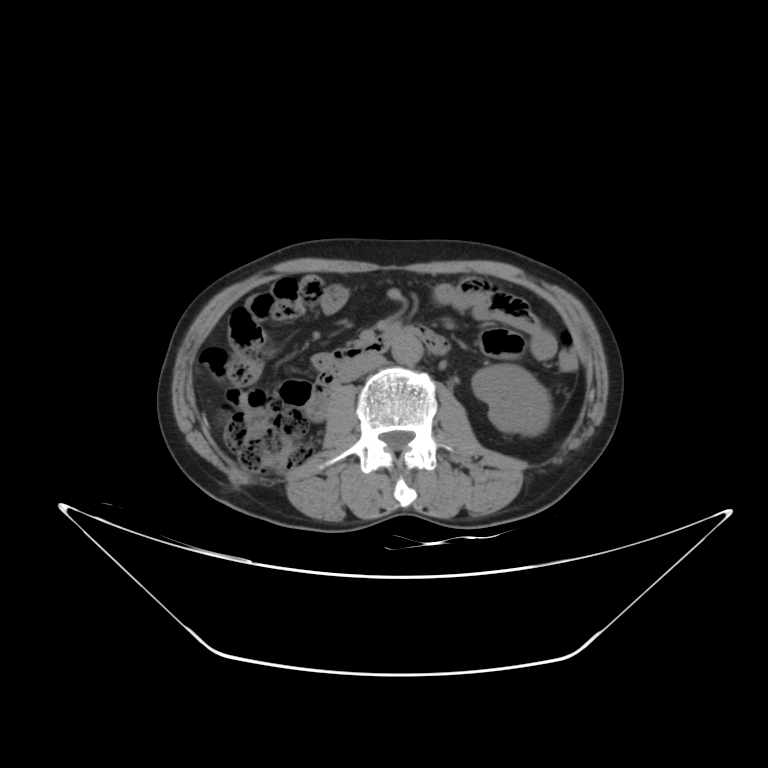 CT, abdomen/pelvis · axial view · 768x768 px
Boxes: x1:y1:x2:y2 in pixels. The annotated organs in this slice are: aorta at 392:334:423:364, inferior vena cava at 341:354:384:381, duodenum at 306:326:446:419, left kidney at 472:364:551:435.